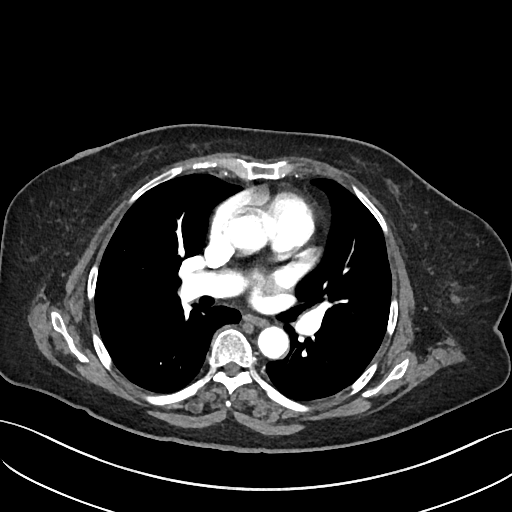 Chest-level CT slice, above the liver and spleen. axial view
At this level of the chest this dataset labels only the esophagus and the aorta, and each is boxed only where it is labeled; the heart and lungs are never labeled.
Bounding boxes as [x1, y1, x2, y2] in pixel coordinates.
esophagus: [245, 315, 266, 326]
aorta: [228, 214, 266, 252]
aorta: [257, 326, 288, 358]